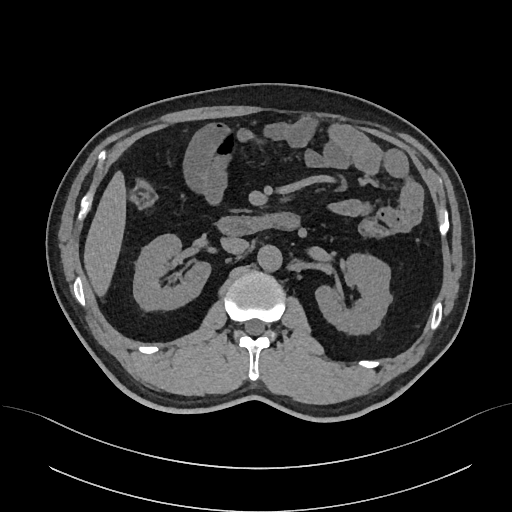 Abdominal CT. Axial slice 168/265. soft-tissue window (W 400 / L 40). 15 organs annotated in this scan (counted over the whole 3D scan, not this slice; an organ is boxed only where this slice passes through it)
One row per box, in pixels: columns x1 and y1 give the top-left corner, x2 and y2 the bottom-right.
| organ | x1 | y1 | x2 | y2 |
|---|---|---|---|---|
| right kidney | 133 | 235 | 211 | 311 |
| left kidney | 315 | 253 | 390 | 335 |
| liver | 83 | 169 | 126 | 299 |
| aorta | 258 | 246 | 282 | 272 |
| inferior vena cava | 221 | 237 | 249 | 254 |
| duodenum | 214 | 212 | 301 | 236 |